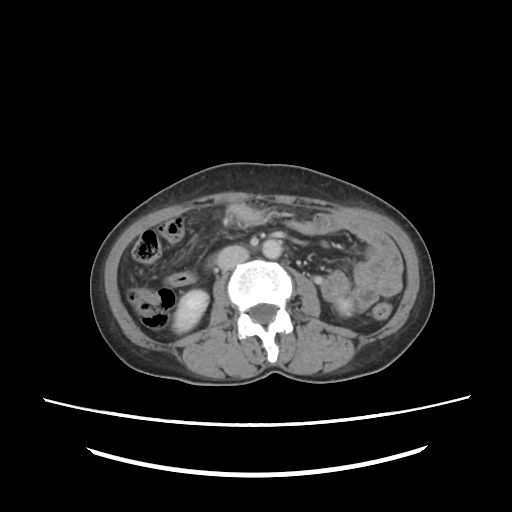
CT abdomen; axial view; 60-year-old female patient; Aquilion ONE scanner
{"organs":{"right kidney":[174,290,208,331],"left kidney":[336,298,354,317],"stomach":[228,207,267,227],"aorta":[262,238,282,258],"inferior vena cava":[218,246,248,270],"duodenum":[206,254,218,269]}}